Abdominal CT reaching into the chest; this slice is in the chest — axial view — soft-tissue window, W/L 400/40 — 512x512 px — 61-year-old female patient
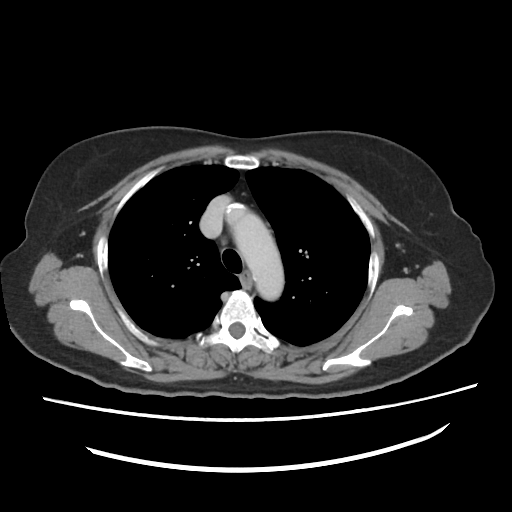

On a slice this high in the chest, this dataset labels only the esophagus and the aorta, and each is boxed only where it is labeled; the heart, lungs and other chest structures are not labeled.
Coordinates as <box>x1,y1,x2,y2</box> in pixels.
esophagus: <box>241,273,251,290</box>
aorta: <box>223,203,282,299</box>